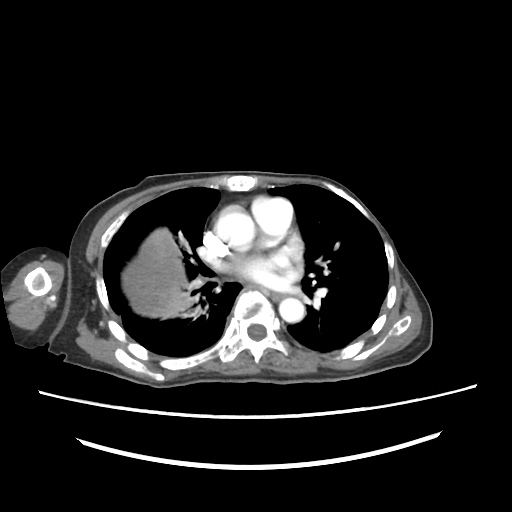
CT abdomen; axial view; acquired on Aquilion ONE
Boxes: x1:y1:x2:y2 in pixels.
Organ bounding boxes:
- esophagus: 272:294:283:301
- liver: 122:228:186:318
- aorta: 215:206:255:250
- aorta: 279:297:305:322